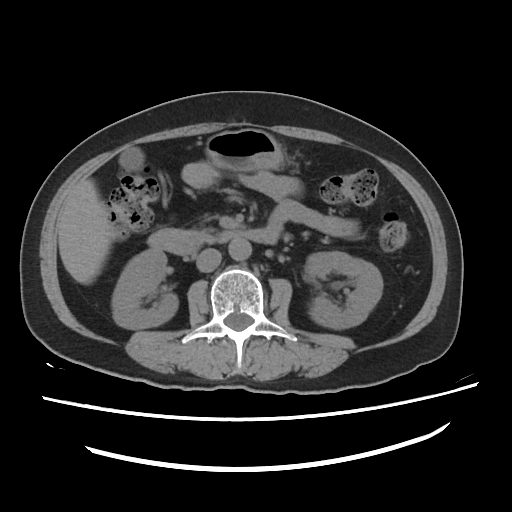 CT, abdomen/pelvis. Axial slice 54/88. 512x512 px. 14 organs annotated in this scan (counted over the whole 3D scan, not this slice; an organ is boxed only where this slice passes through it)
Boxes are (x1, y1, x2, y2) in pixels. 9 labeled organs on this slice — pancreas at (186, 228, 220, 243); gall bladder at (119, 147, 143, 170); liver at (58, 179, 115, 284); right kidney at (112, 249, 178, 328); left kidney at (305, 251, 382, 328); duodenum at (147, 228, 275, 254); stomach at (205, 128, 284, 171); aorta at (228, 239, 251, 260); inferior vena cava at (196, 248, 221, 272).